Chest-level CT slice, above the liver and spleen — axial plane, index 95 — soft-tissue window, W/L 400/40 — 512x512 px
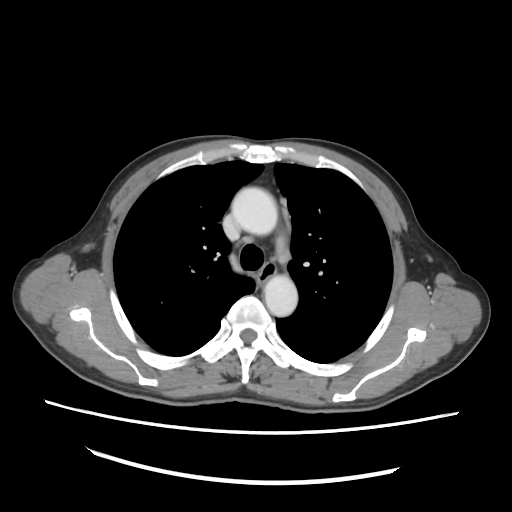

At this level of the chest this dataset labels only the esophagus and the aorta, and each is boxed only where it is labeled; the heart and lungs are never labeled.
Boxes: x1 y1 x2 y2 (pixel coords, space-separated).
Organ bounding boxes:
- esophagus: 257 263 275 283
- aorta: 231 187 277 235
- aorta: 264 275 297 316